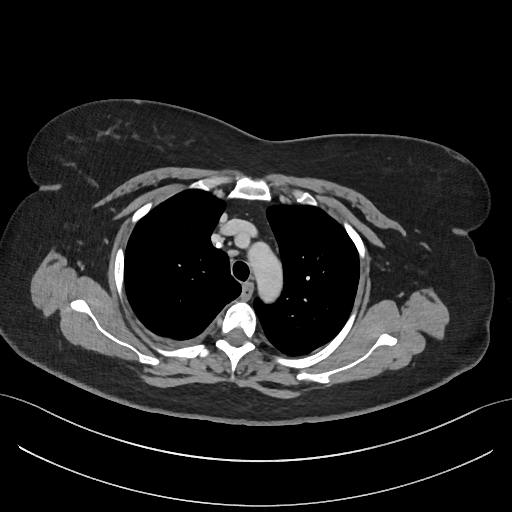
Chest-level slice from an abdominal CT that extends up into the chest — axial view — soft-tissue window (W 400 / L 40) — 512x512 px
At this level of the chest this dataset labels only the esophagus and the aorta, and each is boxed only where it is labeled; the heart and lungs are never labeled. Box edges are left/top/right/bottom in pixels. The annotated organs in this slice are: esophagus at left=242, top=284, right=251, bottom=296, aorta at left=245, top=240, right=283, bottom=305.